CT abdomen · axial plane, index 48 · soft-tissue window · 62-year-old female patient · scan has 15 labeled organs (that count is for the whole scan; organs this slice misses have no box)
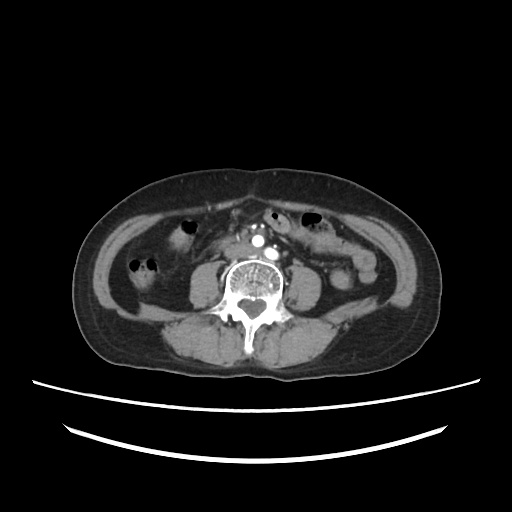

Bounding boxes in pixels, one row per box: x1, y1 is the top-left corner and x2, y2 the bottom-right.
| organ | x1 | y1 | x2 | y2 |
|---|---|---|---|---|
| inferior vena cava | 224 | 243 | 253 | 258 |
| duodenum | 218 | 235 | 232 | 247 |